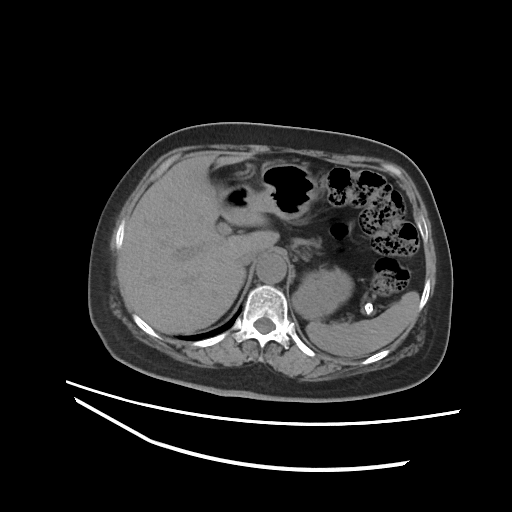
Computed tomography, abdomen · axial plane, index 69 · acquired on Aquilion ONE
{"organs":{"stomach":[217,162,353,320],"inferior vena cava":[237,248,259,267],"aorta":[256,254,286,283],"spleen":[306,291,419,357],"liver":[117,154,278,333]}}